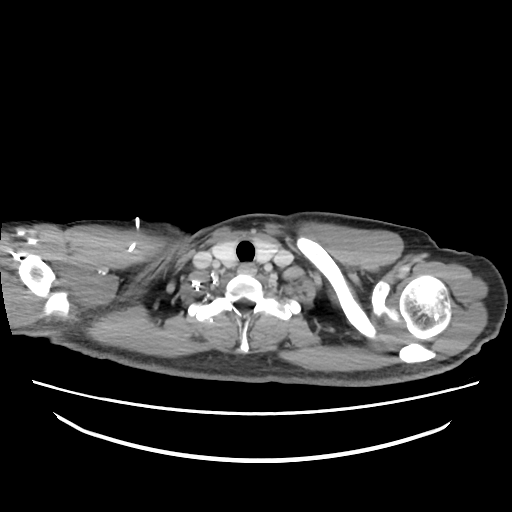
CT of the abdomen extending into the chest, slice through the chest · axial view · 31-year-old male patient · 15 organs annotated in this scan (that count is for the whole scan; organs this slice misses have no box)
On a slice this high in the chest, this dataset labels only the esophagus and the aorta, and each is boxed only where it is labeled; the heart, lungs and other chest structures are not labeled.
Each box given as x1,y1,x2,y2.
esophagus: x1=237, y1=263, x2=256, y2=275